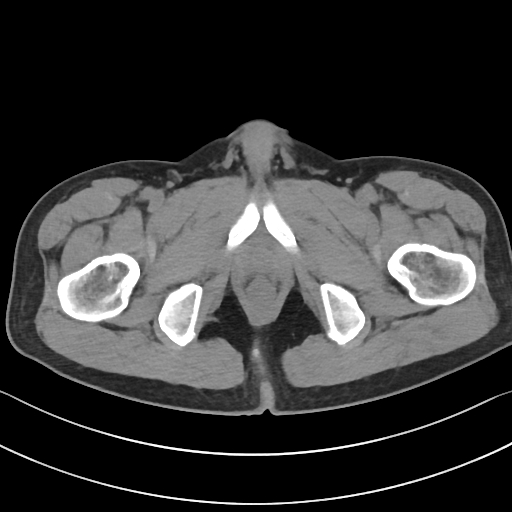 CT, abdomen/pelvis · axial view · abdomen soft-tissue window · scan has 15 labeled organs (that count is for the whole scan; organs this slice misses have no box)
Organ boxes in pixel coordinates; each row gives the top-left (x1, y1) and bottom-right (x2, y2) corners.
| organ | x1 | y1 | x2 | y2 |
|---|---|---|---|---|
| prostate/uterus | 247 | 250 | 274 | 272 |